Abdominal CT; this slice is in the lower chest, just above the liver — axial view — soft-tissue window (W 400 / L 40) — 512x512 px
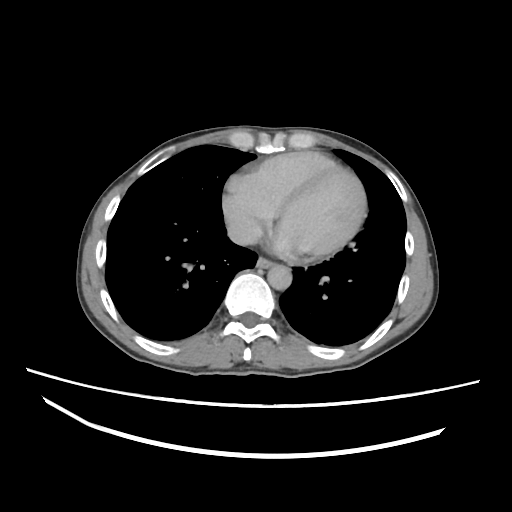

No part of the heart or lungs is labeled in this dataset, so neither has a box here. Boxes: x1 y1 x2 y2 (pixel coords, space-separated). Labeled organs on this slice: aorta at 268 263 292 289, esophagus at 257 255 271 268, inferior vena cava at 226 219 259 245.